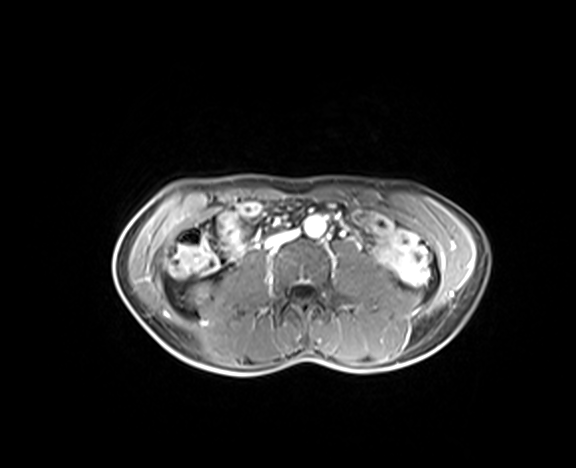
MRI, abdomen — axial view — 576x468 px
Organ boxes in pixel coordinates; each row gives the top-left (x1, y1) and bottom-right (x2, y2) corners.
| organ | x1 | y1 | x2 | y2 |
|---|---|---|---|---|
| aorta | 304 | 215 | 326 | 236 |
| inferior vena cava | 265 | 230 | 297 | 248 |
| right kidney | 193 | 285 | 208 | 298 |